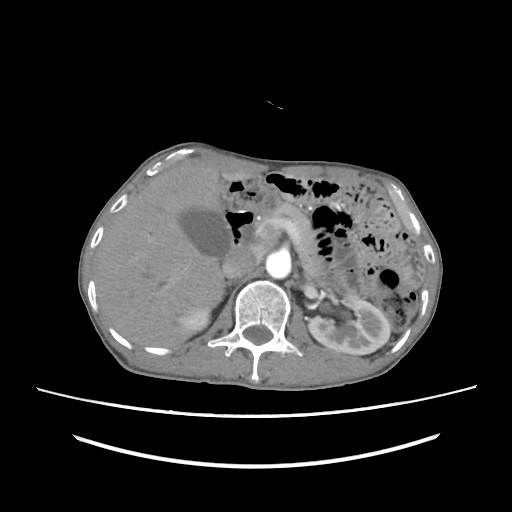

Abdominal CT. axial view. 512x512 px. 62-year-old male patient. acquired on Aquilion ONE. scan has 15 labeled organs (counted over the whole 3D scan, not this slice; an organ is boxed only where this slice passes through it)
<organs><organ name="inferior vena cava" x1="222" y1="247" x2="259" y2="278"/><organ name="gall bladder" x1="179" y1="210" x2="229" y2="257"/><organ name="left adrenal gland" x1="304" y1="274" x2="314" y2="280"/><organ name="pancreas" x1="257" y1="203" x2="323" y2="277"/><organ name="right kidney" x1="179" y1="308" x2="209" y2="333"/><organ name="left kidney" x1="308" y1="295" x2="390" y2="354"/><organ name="liver" x1="99" y1="163" x2="253" y2="347"/><organ name="aorta" x1="266" y1="250" x2="291" y2="278"/><organ name="duodenum" x1="224" y1="209" x2="255" y2="251"/><organ name="right adrenal gland" x1="214" y1="281" x2="232" y2="306"/></organs>